CT abdomen; axial view; acquired on Brilliance16; 15 organs annotated in this scan (counted over the whole 3D scan, not this slice; an organ is boxed only where this slice passes through it)
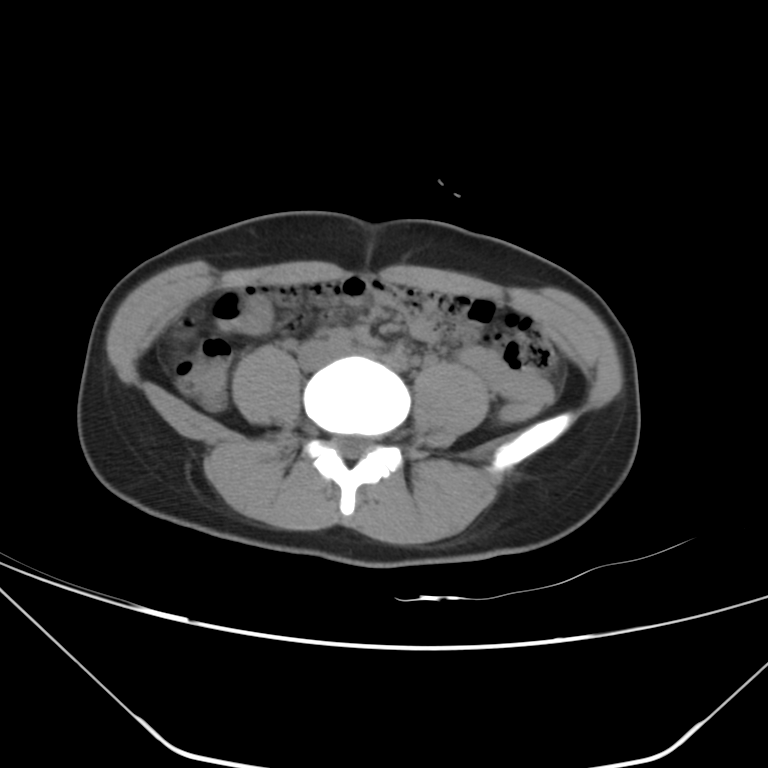
Coordinates as <box>x1,y1,x2,y2</box> in pixels.
inferior vena cava: <box>300,343,334,367</box>